Abdominal CT · axial view · SOMATOM Force scanner · scan has 15 labeled organs (that count is for the whole scan; organs this slice misses have no box)
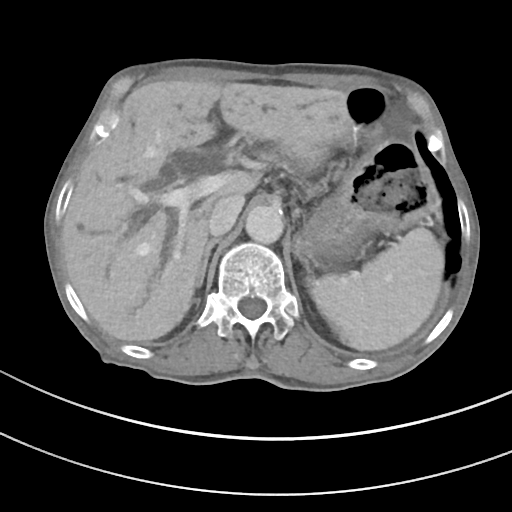
{"organs":{"right adrenal gland":[196,238,218,287],"inferior vena cava":[208,194,244,236],"left adrenal gland":[303,260,308,270],"liver":[64,80,353,340],"spleen":[309,227,444,350],"stomach":[295,138,438,261],"aorta":[245,205,283,243]}}